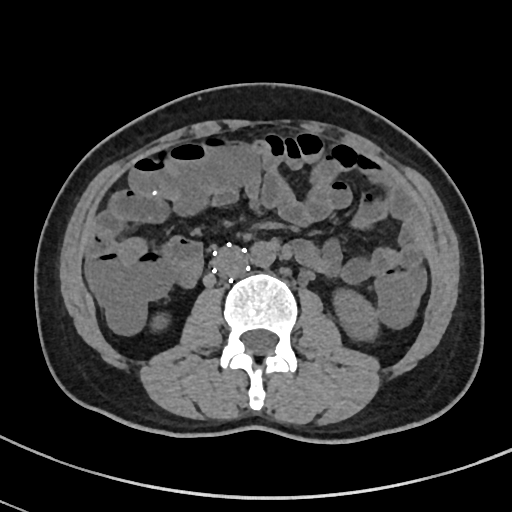 CT, abdomen/pelvis · axial view
Organ boxes in pixel coordinates; each row gives the top-left (x1, y1) and bottom-right (x2, y2) corners.
| organ | x1 | y1 | x2 | y2 |
|---|---|---|---|---|
| right kidney | 151 | 313 | 169 | 331 |
| left kidney | 333 | 289 | 378 | 340 |
| aorta | 248 | 241 | 277 | 267 |
| inferior vena cava | 213 | 247 | 248 | 276 |